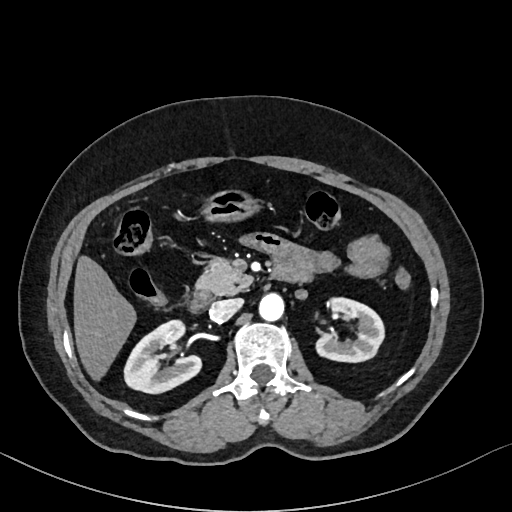

Abdominal CT · axial plane, index 140 · abdomen soft-tissue window · SOMATOM Force scanner
{"organs":{"right kidney":[124,320,201,393],"left kidney":[315,297,384,362],"liver":[73,255,136,380],"stomach":[201,188,260,222],"aorta":[259,293,284,321],"inferior vena cava":[209,298,242,321],"pancreas":[196,259,252,295],"duodenum":[188,291,211,312]}}